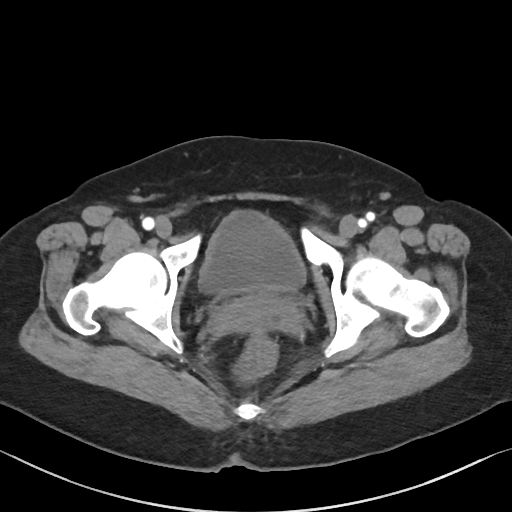

Abdominal CT; axial view
Boxes: x1:y1:x2:y2 in pixels. 2 labeled organs on this slice — prostate/uterus at 214:295:293:331; bladder at 199:210:305:294.